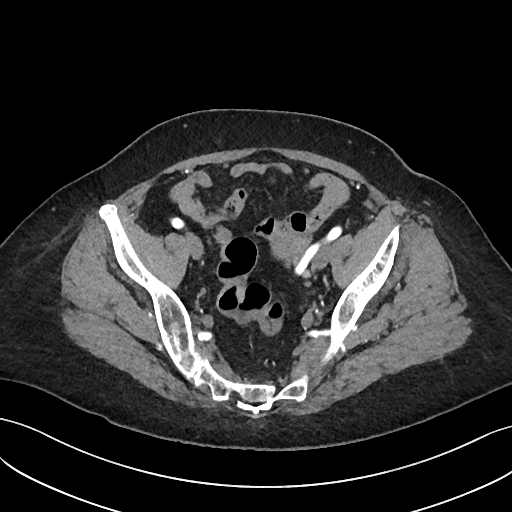
Abdominal CT; axial plane, index 46; 512x512 px; 15 organs annotated in this scan (counted over the whole 3D scan, not this slice; an organ is boxed only where this slice passes through it)
<organs><organ name="prostate/uterus" x1="272" y1="233" x2="305" y2="257"/></organs>